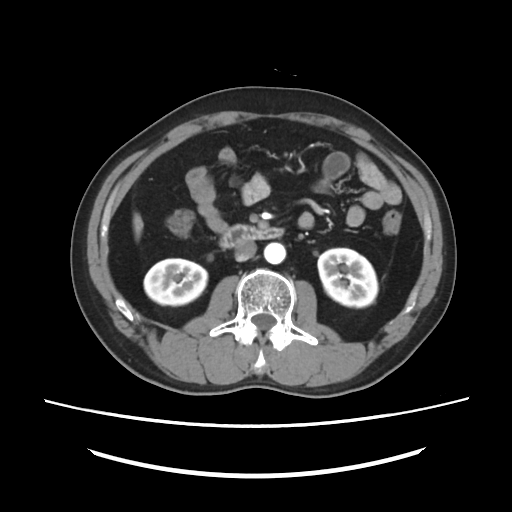

CT, abdomen/pelvis; axial view; 15 organs annotated in this scan (counted over the whole 3D scan, not this slice; an organ is boxed only where this slice passes through it)
{"organs":{"right kidney":[144,258,207,305],"left kidney":[318,248,377,307],"liver":[132,212,143,239],"aorta":[264,242,285,264],"inferior vena cava":[234,242,257,261],"duodenum":[219,225,283,248]}}